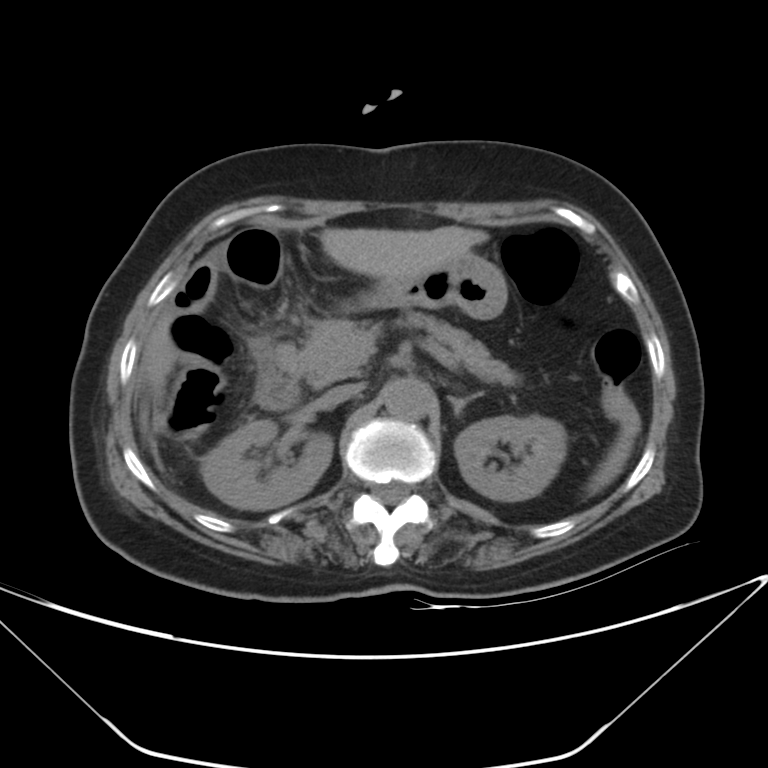
CT abdomen · axial view · soft-tissue window
Boxes: x1:y1:x2:y2 in pixels.
Organ bounding boxes:
- left kidney: 454:416:566:501
- aorta: 383:378:432:420
- duodenum: 255:350:299:410
- pancreas: 279:311:522:387
- left adrenal gland: 448:393:480:415
- inferior vena cava: 321:384:361:407
- liver: 142:226:488:386
- right kidney: 201:419:333:509
- stomach: 358:252:507:319
- spleen: 587:409:639:494